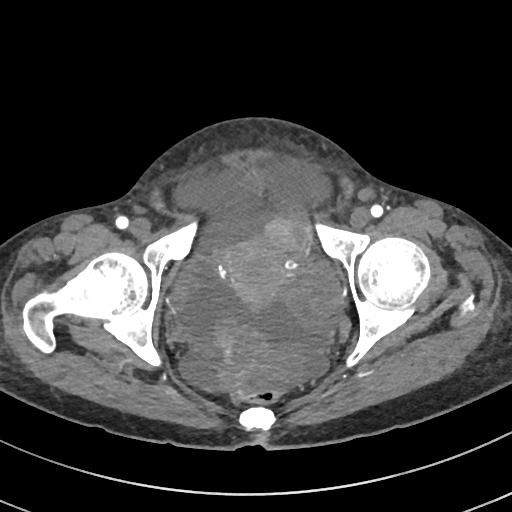 CT, abdomen/pelvis; Axial slice 26/237; acquired on SOMATOM Force
Bounding boxes in pixels, one row per box: x1, y1 is the top-left corner and x2, y2 the bottom-right.
| organ | x1 | y1 | x2 | y2 |
|---|---|---|---|---|
| prostate/uterus | 221 | 234 | 293 | 305 |